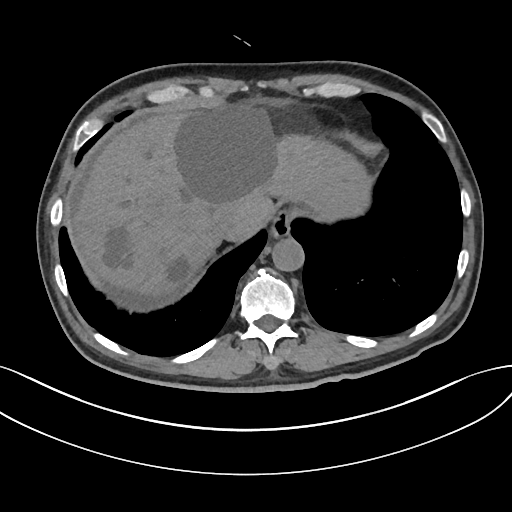

Computed tomography, abdomen. axial view. soft-tissue window (W 400 / L 40). acquired on SOMATOM Force
Each box given as x1,y1,x2,y2. 4 labeled organs on this slice — esophagus at x1=270, y1=211, x2=291, y2=238; liver at x1=76, y1=104, x2=371, y2=296; aorta at x1=272, y1=238, x2=304, y2=271; inferior vena cava at x1=215, y1=207, x2=249, y2=238.